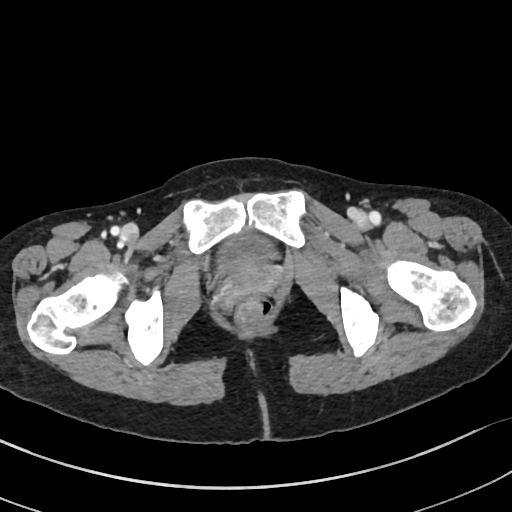 CT abdomen. axial view. 512x512 px. scan has 15 labeled organs (counted over the whole 3D scan, not this slice; an organ is boxed only where this slice passes through it)
Coordinates as <box>x1,y1,x2,y2</box> in pixels. 1 labeled organ on this slice — bladder at <box>219,233,274,276</box>.